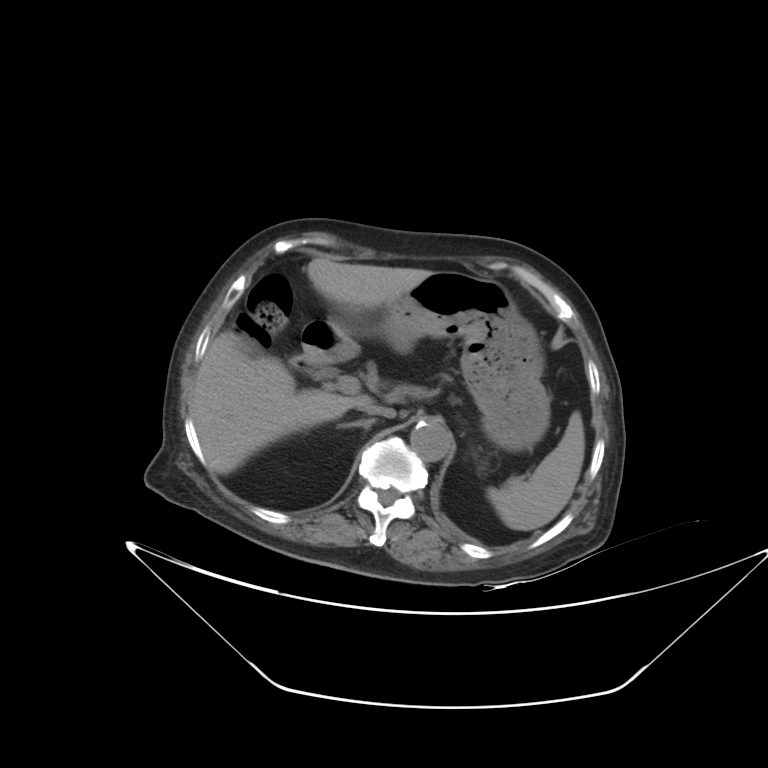

Abdominal CT; axial view; 768x768 px
Box edges are left/top/right/bottom in pixels.
Organ bounding boxes:
- stomach: left=342, top=271, right=550, bottom=451
- aorta: left=410, top=421, right=451, bottom=461
- duodenum: left=293, top=321, right=361, bottom=372
- liver: left=190, top=258, right=431, bottom=474
- inferior vena cava: left=361, top=403, right=395, bottom=418
- spleen: left=487, top=411, right=584, bottom=530
- right adrenal gland: left=337, top=418, right=376, bottom=431